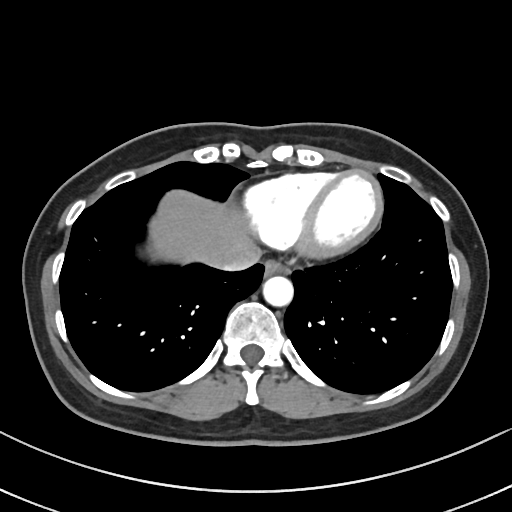
Computed tomography, abdomen. Axial slice 216/242. 512x512 px
Coordinates as <box>x1,y1,x2,y2</box> in pixels. 4 labeled organs on this slice — esophagus at <box>264,260,288,275</box>; liver at <box>149,190,262,266</box>; aorta at <box>263,276,293,306</box>; inferior vena cava at <box>217,252,260,270</box>.